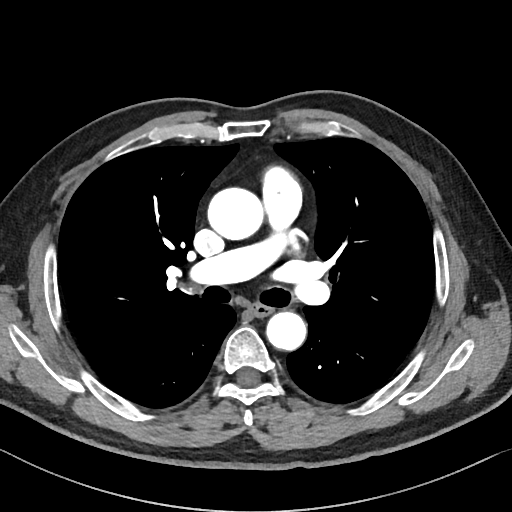
CT of the abdomen extending into the chest, slice through the chest. axial view
On a slice this high in the chest, this dataset labels only the esophagus and the aorta, and each is boxed only where it is labeled; the heart, lungs and other chest structures are not labeled. Bounding boxes as [x1, y1, x2, y2] in pixel coordinates. 2 labeled organs on this slice — esophagus at [250, 303, 271, 316]; aorta at [207, 187, 262, 240]; aorta at [266, 311, 306, 350].